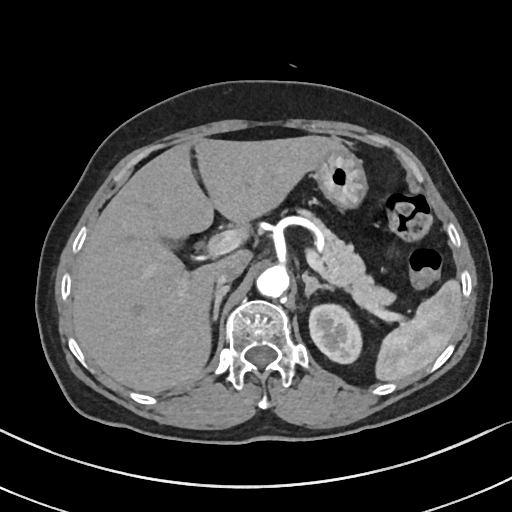
Computed tomography, abdomen — axial plane, index 163 — abdomen soft-tissue window — 512x512 px — SOMATOM Force scanner
<organs><organ name="spleen" x1="375" y1="279" x2="461" y2="381"/><organ name="left kidney" x1="309" y1="304" x2="362" y2="363"/><organ name="gall bladder" x1="166" y1="240" x2="176" y2="246"/><organ name="liver" x1="72" y1="135" x2="343" y2="392"/><organ name="stomach" x1="313" y1="147" x2="367" y2="209"/><organ name="aorta" x1="256" y1="265" x2="288" y2="297"/><organ name="inferior vena cava" x1="215" y1="261" x2="245" y2="285"/><organ name="pancreas" x1="297" y1="209" x2="394" y2="311"/><organ name="right adrenal gland" x1="212" y1="285" x2="230" y2="321"/><organ name="left adrenal gland" x1="302" y1="272" x2="334" y2="296"/></organs>